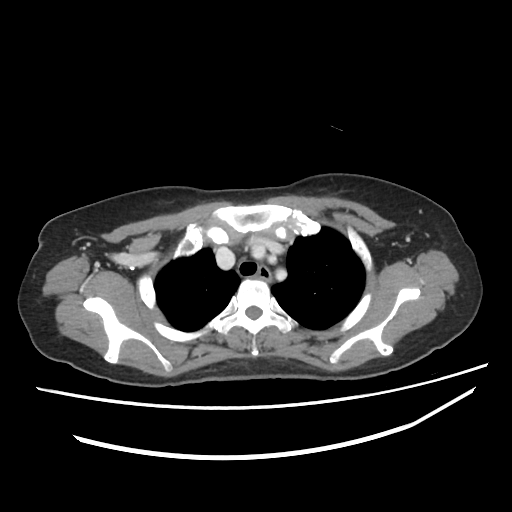
Chest-level slice from an abdominal CT that extends up into the chest; axial view; W/L 400/40 HU
On a slice this high in the chest, this dataset labels only the esophagus and the aorta, and each is boxed only where it is labeled; the heart, lungs and other chest structures are not labeled.
<organs><organ name="esophagus" x1="258" y1="265" x2="270" y2="280"/></organs>